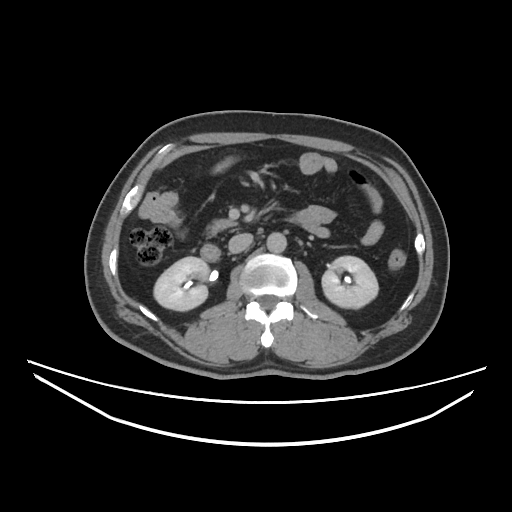
CT, abdomen/pelvis. Axial slice 78/115. 512x512 px
Boxes: x1:y1:x2:y2 in pixels.
right kidney: 153:257:209:311
left kidney: 322:256:377:307
aorta: 267:231:287:252
inferior vena cava: 229:232:253:252
pancreas: 209:219:237:236
duodenum: 198:244:220:261